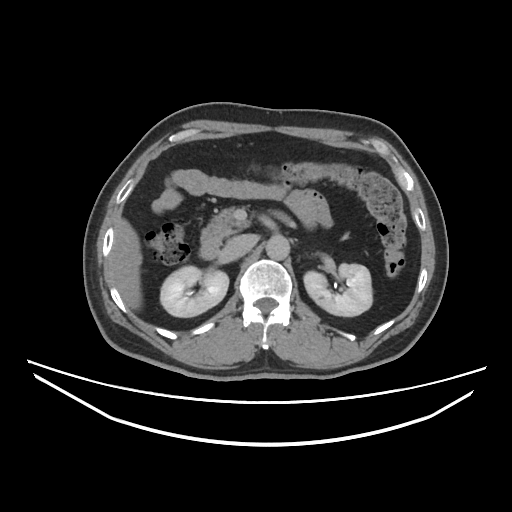
Abdominal CT. axial plane, index 83. 512x512 px. 15 organs annotated in this scan (counted over the whole 3D scan, not this slice; an organ is boxed only where this slice passes through it)
Box edges are left/top/right/bottom in pixels.
Organ bounding boxes:
- right kidney: left=160, top=266, right=228, bottom=317
- left kidney: left=302, top=263, right=372, bottom=316
- liver: left=113, top=218, right=141, bottom=309
- aorta: left=265, top=234, right=290, bottom=261
- inferior vena cava: left=225, top=234, right=253, bottom=257
- pancreas: left=209, top=206, right=251, bottom=238
- duodenum: left=200, top=229, right=219, bottom=259